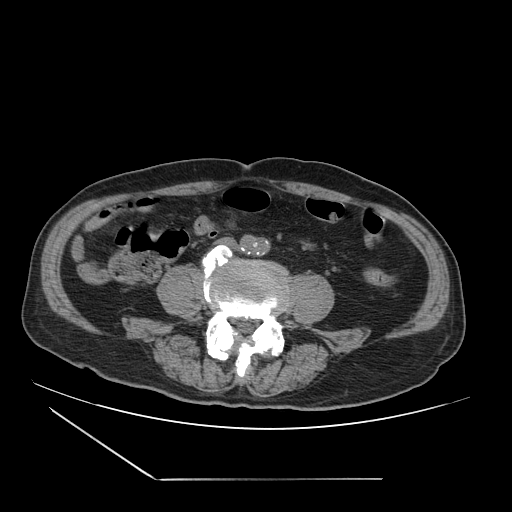 CT, abdomen/pelvis · axial view · abdomen soft-tissue window · SOMATOM Force scanner
{"organs":{"inferior vena cava":[215,237,236,248]}}